CT abdomen · axial view · soft-tissue window · 512x512 px
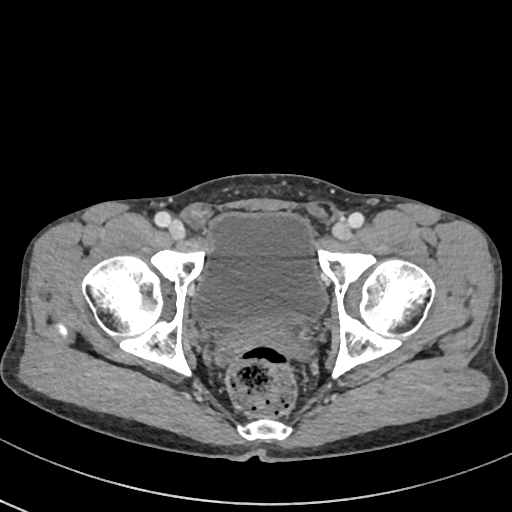 {"organs":{"bladder":[191,214,325,325],"prostate/uterus":[248,316,281,329]}}